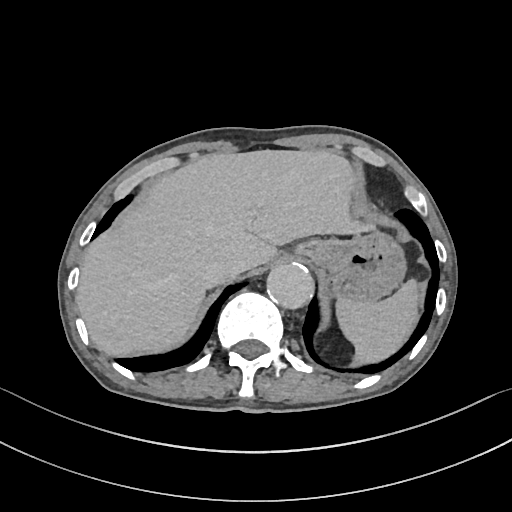

CT, abdomen/pelvis; axial view; abdomen soft-tissue window
Boxes are (x1, y1, x2, y2) in pixels. 5 labeled organs on this slice — spleen at (337, 277, 418, 360); liver at (76, 150, 376, 356); stomach at (293, 230, 404, 301); aorta at (267, 262, 314, 309); inferior vena cava at (204, 255, 239, 279).